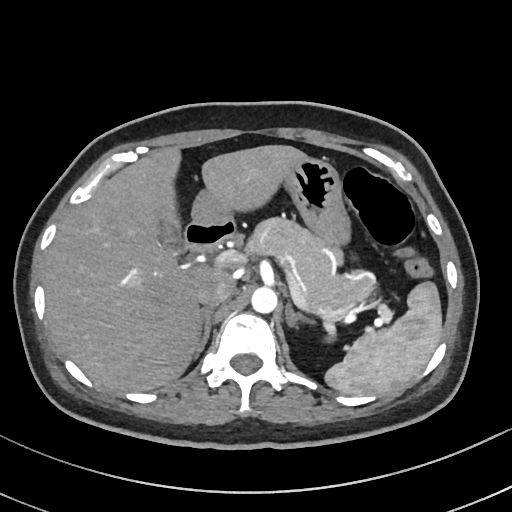

Computed tomography, abdomen; axial plane, index 150; soft-tissue window (W 400 / L 40); SOMATOM Force scanner; scan has 15 labeled organs (a whole-scan count: organs this slice does not pass through have no box)
<organs><organ name="duodenum" x1="184" y1="219" x2="238" y2="255"/><organ name="liver" x1="44" y1="144" x2="303" y2="391"/><organ name="left kidney" x1="325" y1="336" x2="334" y2="343"/><organ name="gall bladder" x1="153" y1="206" x2="181" y2="249"/><organ name="aorta" x1="251" y1="285" x2="277" y2="312"/><organ name="inferior vena cava" x1="196" y1="279" x2="233" y2="306"/><organ name="pancreas" x1="243" y1="216" x2="377" y2="317"/><organ name="stomach" x1="192" y1="155" x2="348" y2="245"/><organ name="spleen" x1="326" y1="281" x2="443" y2="395"/><organ name="left adrenal gland" x1="286" y1="302" x2="312" y2="326"/><organ name="right adrenal gland" x1="193" y1="307" x2="213" y2="357"/></organs>